CT, abdomen/pelvis; Axial slice 105/192; scan has 15 labeled organs (a whole-scan count: organs this slice does not pass through have no box)
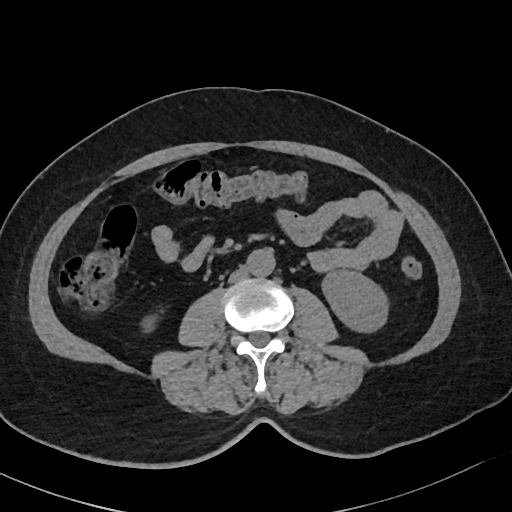 Coordinates as <box>x1,y1,x2,y2</box> in pixels. Labeled organs on this slice: right kidney at <box>145,321,152,329</box>, left kidney at <box>322,270,386,333</box>, aorta at <box>247,249,275,276</box>, inferior vena cava at <box>228,267,248,282</box>.